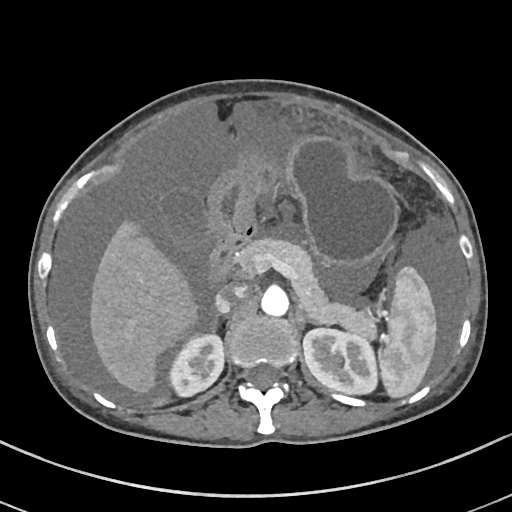 CT abdomen. axial view. soft-tissue window (W 400 / L 40). 512x512 px. acquired on SOMATOM Force
Boxes: x1:y1:x2:y2 in pixels.
spleen: 377:266:436:399
right kidney: 166:335:223:397
left kidney: 303:329:376:393
gall bladder: 161:192:207:253
liver: 89:211:198:394
stomach: 207:136:399:268
aorta: 260:288:288:316
inferior vena cava: 215:286:246:313
pancreas: 236:239:376:339
right adrenal gland: 205:317:222:332
left adrenal gland: 295:308:316:327
duodenum: 210:229:254:279